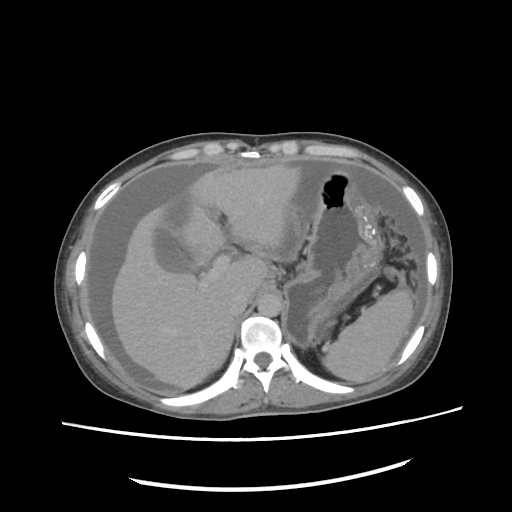 Abdominal CT · axial plane, index 92 · W/L 400/40 HU · 39-year-old female patient · scan has 15 labeled organs (a whole-scan count: organs this slice does not pass through have no box)
{"organs":{"spleen":[322,290,413,383],"gall bladder":[154,227,194,272],"liver":[110,165,307,391],"stomach":[283,169,382,347],"aorta":[258,294,282,316],"inferior vena cava":[229,286,255,314]}}